Computed tomography, abdomen; axial view; 512x512 px; acquired on SOMATOM Force
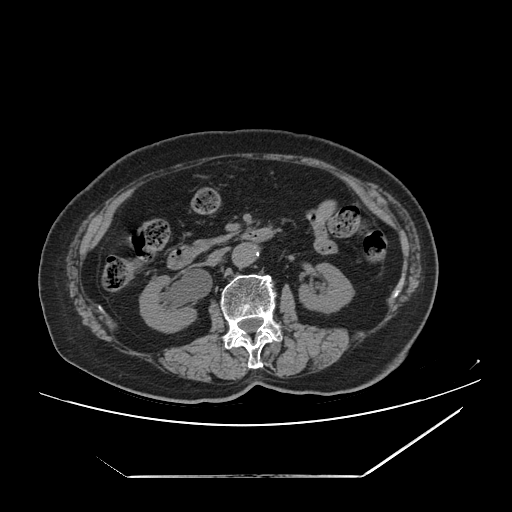
Coordinates as <box>x1,y1,x2,y2</box> in pixels.
right kidney: <box>139,275,196,332</box>
left kidney: <box>299,263,353,312</box>
aorta: <box>232,243,258,267</box>
inferior vena cava: <box>206,247,228,265</box>
pancreas: <box>192,234,232,252</box>
duodenum: <box>167,227,273,269</box>